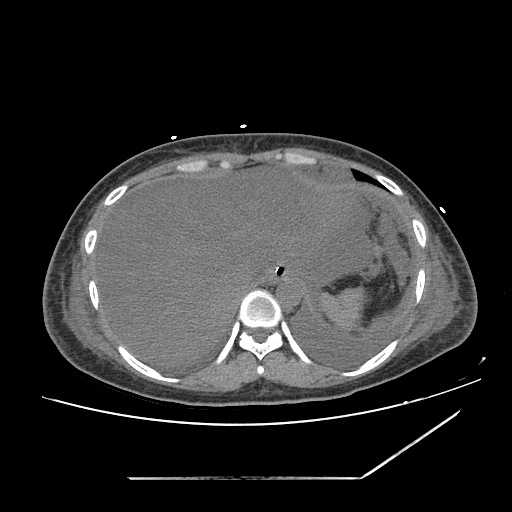
Abdominal CT. axial view. soft-tissue window (W 400 / L 40). SOMATOM Force scanner. scan has 15 labeled organs (a whole-scan count: organs this slice does not pass through have no box)
Organ boxes in pixel coordinates; each row gives the top-left (x1, y1) and bottom-right (x2, y2) corners.
| organ | x1 | y1 | x2 | y2 |
|---|---|---|---|---|
| spleen | 319 | 287 | 364 | 329 |
| esophagus | 266 | 267 | 284 | 282 |
| liver | 94 | 162 | 360 | 366 |
| stomach | 279 | 258 | 314 | 285 |
| aorta | 276 | 278 | 302 | 304 |
| inferior vena cava | 235 | 272 | 257 | 293 |